CT, abdomen/pelvis. axial view. 768x768 px. 24-year-old male patient. 15 organs annotated in this scan (counted over the whole 3D scan, not this slice; an organ is boxed only where this slice passes through it)
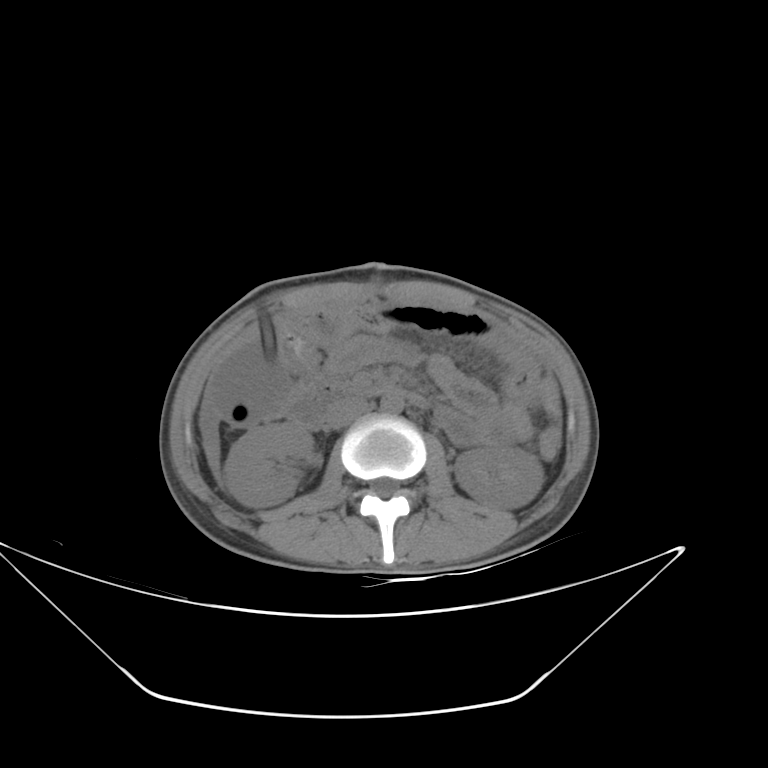

{"organs":{"right kidney":[223,422,314,507],"left kidney":[454,447,544,509],"aorta":[380,391,404,414],"inferior vena cava":[326,397,368,428],"duodenum":[286,381,389,429]}}